Abdominal CT — axial view — soft-tissue window — 512x512 px — 52-year-old female patient
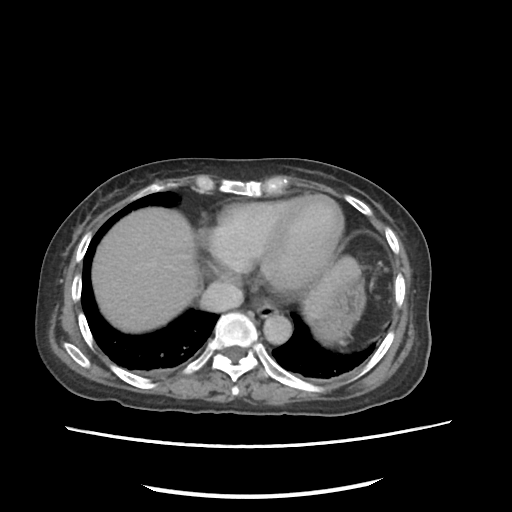
Organ boxes in pixel coordinates; each row gives the top-left (x1, y1) and bottom-right (x2, y2) corners.
| organ | x1 | y1 | x2 | y2 |
|---|---|---|---|---|
| esophagus | 256 | 302 | 278 | 317 |
| liver | 92 | 207 | 360 | 332 |
| stomach | 313 | 279 | 365 | 343 |
| aorta | 263 | 314 | 291 | 344 |
| inferior vena cava | 200 | 281 | 243 | 311 |